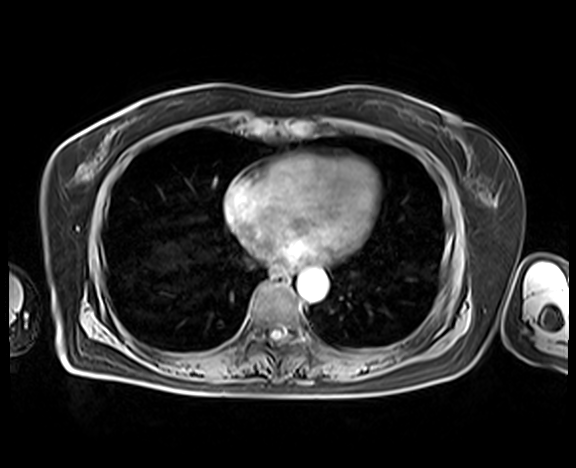 Lower-chest slice from an abdominal MRI, just above the liver and spleen · axial view · 1st–99th percentile window · 576x468 px · 12 organs annotated in this scan (counted over the whole 3D scan, not this slice; an organ is boxed only where this slice passes through it)
No part of the heart or lungs is labeled in this dataset, so neither has a box here. Boxes: x1:y1:x2:y2 in pixels. 2 labeled organs on this slice — esophagus at 274:268:290:280; aorta at 297:270:327:302.